Abdominal MRI — coronal view — percentile-normalized — 320x320 px — Prisma scanner
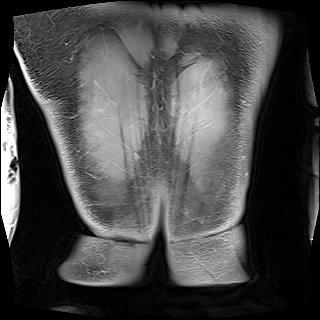
<organs><organ name="left kidney" x1="252" y1="182" x2="264" y2="182"/></organs>